Abdominal CT; Axial slice 68/111; soft-tissue window; scan has 15 labeled organs (counted over the whole 3D scan, not this slice; an organ is boxed only where this slice passes through it)
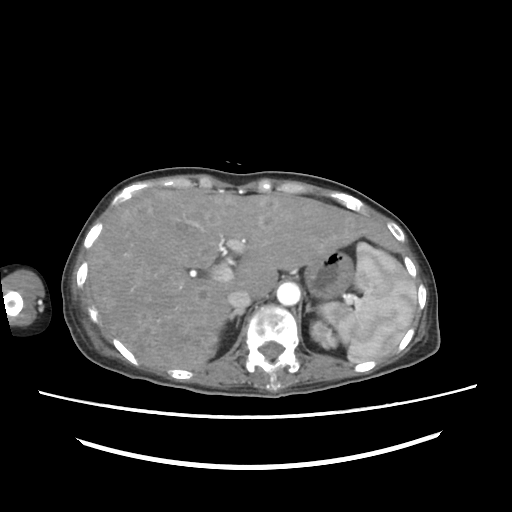

{"organs":{"spleen":[318,243,416,362],"right adrenal gland":[228,310,244,327],"inferior vena cava":[227,289,251,310],"left kidney":[310,320,337,348],"aorta":[277,282,300,305],"liver":[89,188,402,369],"stomach":[304,250,354,299],"left adrenal gland":[306,302,311,311]}}